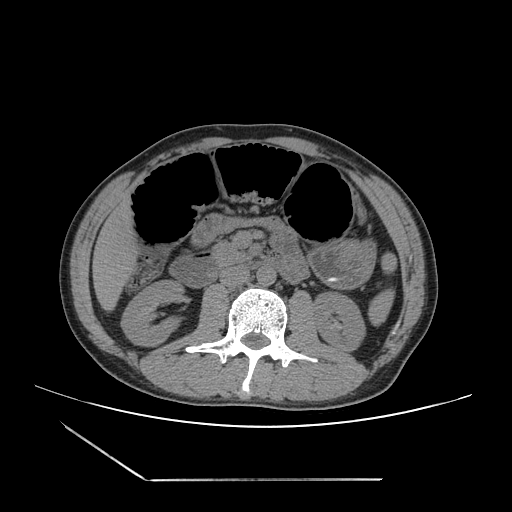
Computed tomography, abdomen — axial view — soft-tissue window — 512x512 px — 15 organs annotated in this scan (a whole-scan count: organs this slice does not pass through have no box)
{"organs":{"spleen":[368,252,397,326],"right kidney":[121,280,183,346],"left kidney":[313,292,365,351],"liver":[92,196,138,311],"stomach":[307,240,375,288],"aorta":[256,265,275,286],"inferior vena cava":[220,265,249,287],"pancreas":[212,241,249,265],"duodenum":[169,252,301,287]}}